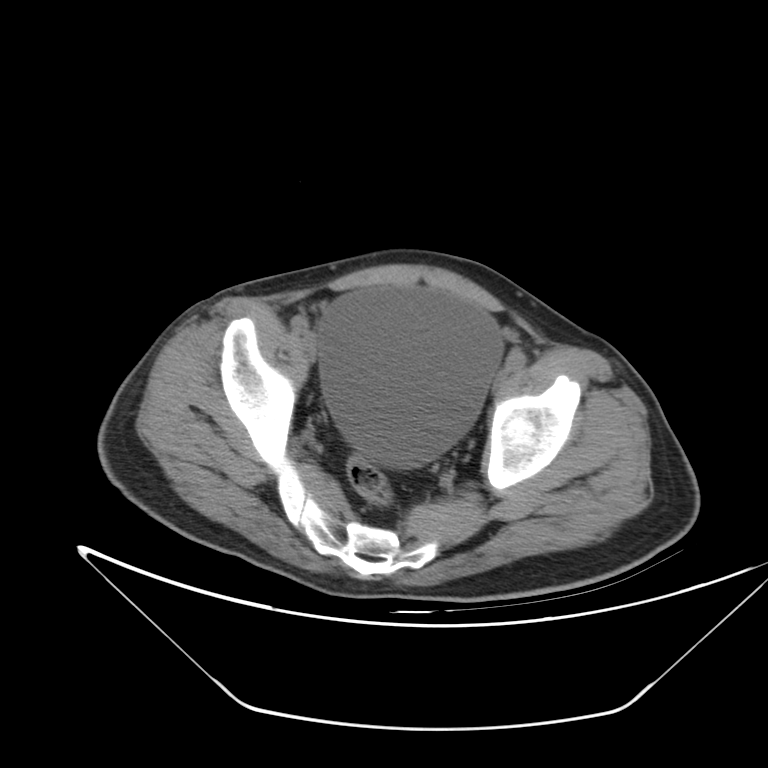
Abdominal CT · axial view · 15 organs annotated in this scan (counted over the whole 3D scan, not this slice; an organ is boxed only where this slice passes through it)
<organs><organ name="bladder" x1="319" y1="286" x2="501" y2="467"/></organs>